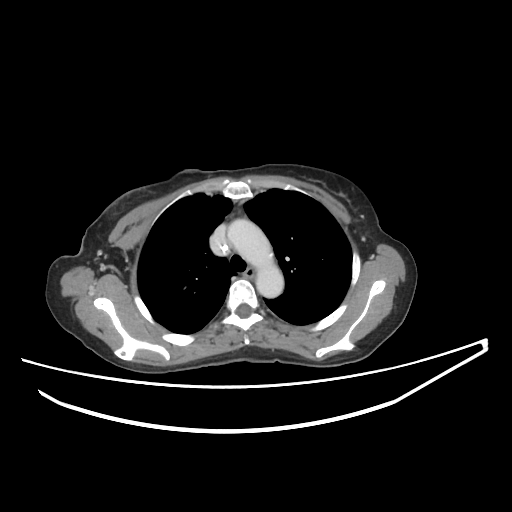 Chest-level slice from an abdominal CT that extends up into the chest — axial view — soft-tissue window (W 400 / L 40) — 512x512 px — 62-year-old female patient — Aquilion ONE scanner — 15 organs annotated in this scan (that count is for the whole scan; organs this slice misses have no box)
At this level of the chest no structure but the esophagus and the aorta has a label in this dataset, and those two are boxed only where they are labeled.
Coordinates as <box>x1,y1,x2,y2</box> in pixels.
Organ bounding boxes:
- esophagus: <box>244,267,256,276</box>
- aorta: <box>227,219,284,298</box>